Abdominal CT · Axial slice 18/93 · 51-year-old male patient · acquired on Brilliance16
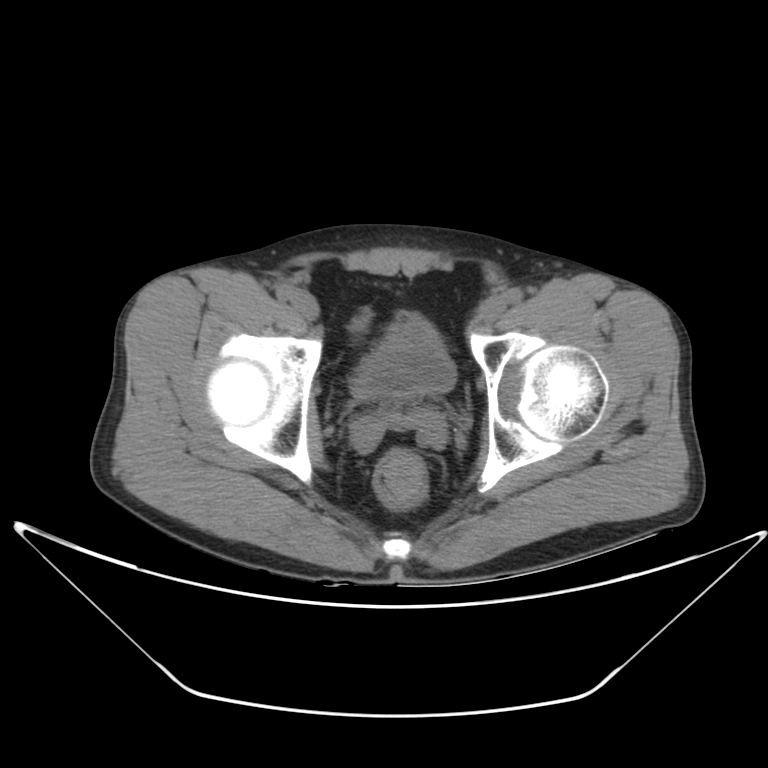 {"organs":{"bladder":[351,311,454,401]}}